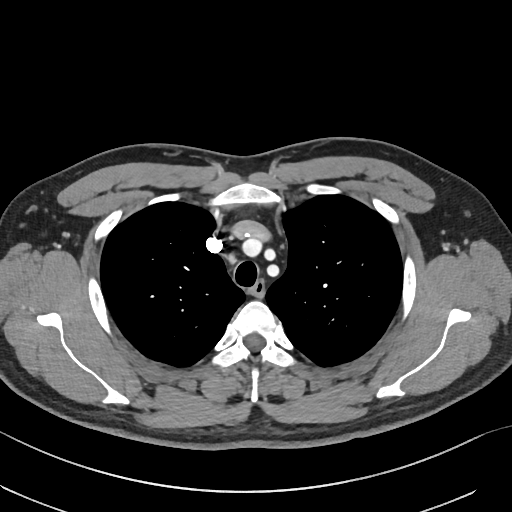 CT of the abdomen extending into the chest, slice through the chest; Axial slice 277/307; soft-tissue window, W/L 400/40; 512x512 px
On a slice this high in the chest, this dataset labels only the esophagus and the aorta, and each is boxed only where it is labeled; the heart, lungs and other chest structures are not labeled.
{"organs":{"esophagus":[249,281,265,296]}}